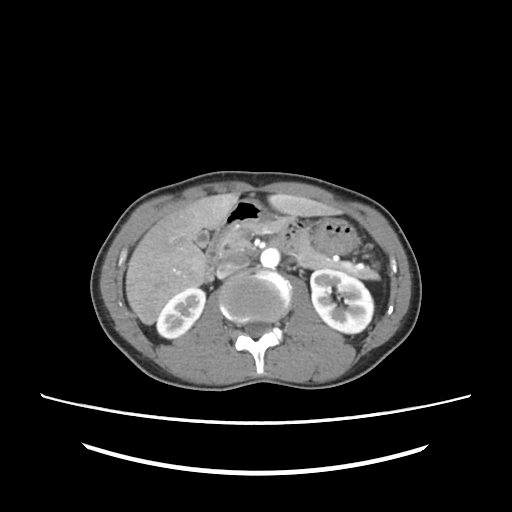 Computed tomography, abdomen. axial view. soft-tissue window. 512x512 px
Coordinates as <box>x1,y1,x2,y2</box> in pixels.
liver: <box>125,193,334,324</box>
pancreas: <box>226,219,378,280</box>
aorta: <box>260,248,279,267</box>
gall bladder: <box>194,229,210,247</box>
left kidney: <box>310,269,373,333</box>
inferior vena cava: <box>216,253,249,278</box>
duodenum: <box>204,212,249,283</box>
stomach: <box>231,200,356,253</box>
right kidney: <box>156,287,205,338</box>